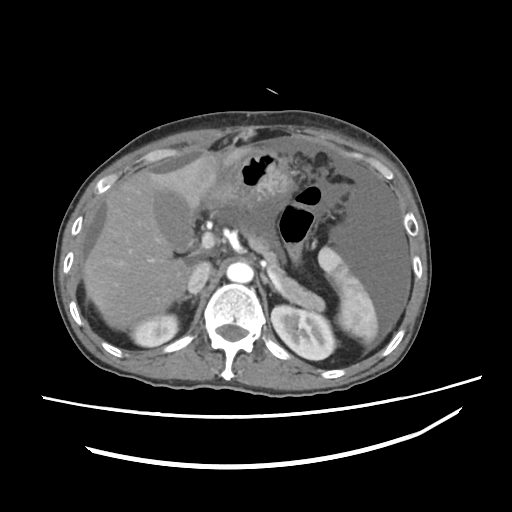

Computed tomography, abdomen · axial view · soft-tissue window (W 400 / L 40) · 512x512 px · scan has 15 labeled organs (a whole-scan count: organs this slice does not pass through have no box)
<organs><organ name="spleen" x1="317" y1="247" x2="379" y2="342"/><organ name="right kidney" x1="128" y1="313" x2="179" y2="346"/><organ name="left kidney" x1="270" y1="304" x2="334" y2="360"/><organ name="gall bladder" x1="153" y1="190" x2="192" y2="252"/><organ name="liver" x1="82" y1="146" x2="249" y2="331"/><organ name="stomach" x1="203" y1="146" x2="294" y2="231"/><organ name="aorta" x1="226" y1="263" x2="254" y2="283"/><organ name="inferior vena cava" x1="188" y1="261" x2="211" y2="293"/><organ name="pancreas" x1="243" y1="232" x2="324" y2="311"/><organ name="right adrenal gland" x1="179" y1="294" x2="197" y2="310"/><organ name="left adrenal gland" x1="260" y1="273" x2="275" y2="291"/></organs>